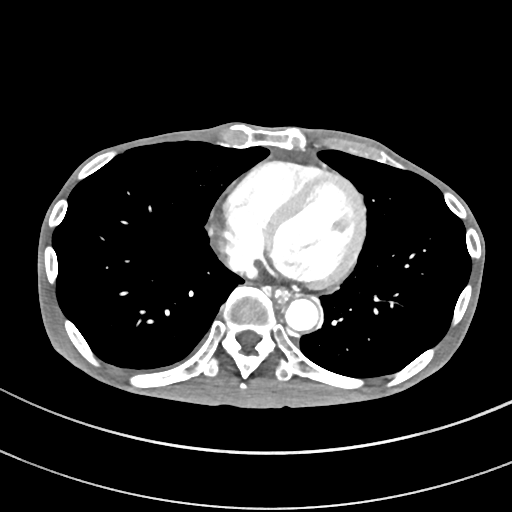

Abdominal CT; this slice is in the lower chest, just above the liver. Axial slice 217/218. 512x512 px. SOMATOM Force scanner
Of the structures in the chest, this dataset labels only the esophagus, the aorta and the inferior vena cava; the heart and lungs have no label.
Boxes are (x1, y1, x2, y2) in pixels.
Organ bounding boxes:
- esophagus: (274, 289, 290, 303)
- aorta: (285, 299, 319, 331)
- inferior vena cava: (229, 254, 256, 277)